CT, abdomen/pelvis; axial view; soft-tissue window (W 400 / L 40); 512x512 px; 59-year-old male patient
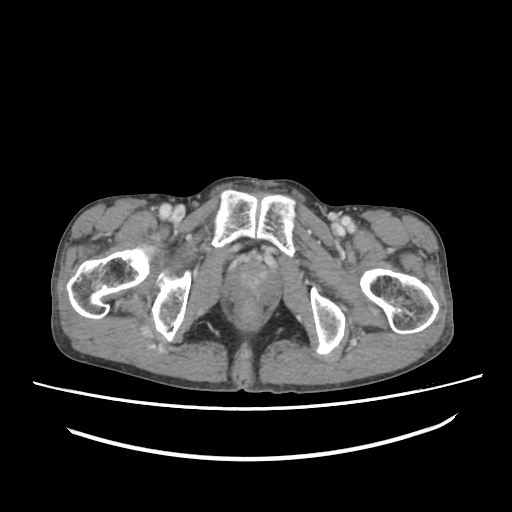
Box edges are left/top/right/bottom in pixels.
Organ bounding boxes:
- prostate/uterus: left=228, top=259, right=277, bottom=301